Abdominal CT. axial view. soft-tissue window. 512x512 px. 15 organs annotated in this scan (counted over the whole 3D scan, not this slice; an organ is boxed only where this slice passes through it)
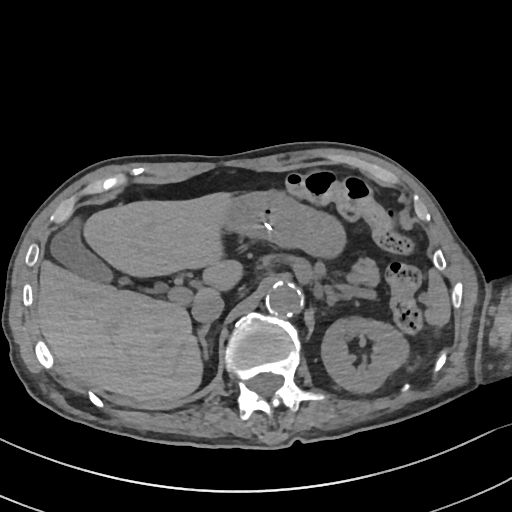 Boxes: x1 y1 x2 y2 (pixel coords, space-separated).
Organ bounding boxes:
- spleen: 425 269 449 326
- left kidney: 321 316 409 392
- gall bladder: 50 219 112 282
- liver: 36 192 242 399
- stomach: 225 190 344 255
- aorta: 265 280 303 316
- inferior vena cava: 191 294 224 323
- pancreas: 354 259 378 283
- right adrenal gland: 197 324 209 359
- left adrenal gland: 325 286 345 305